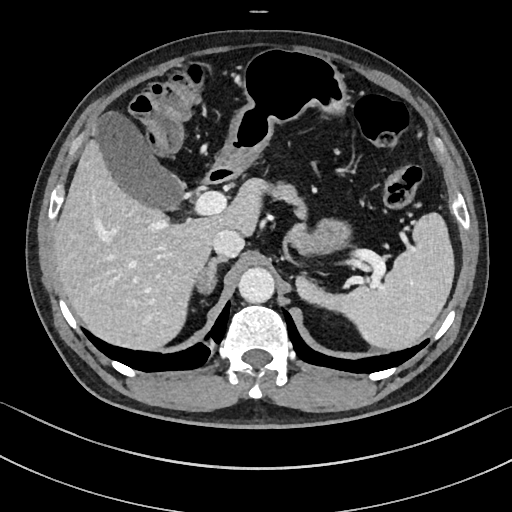 CT abdomen — axial plane, index 172 — W/L 400/40 HU — 512x512 px — acquired on SOMATOM Force
<organs><organ name="stomach" x1="219" y1="49" x2="349" y2="254"/><organ name="spleen" x1="295" y1="213" x2="453" y2="349"/><organ name="duodenum" x1="207" y1="159" x2="240" y2="183"/><organ name="liver" x1="53" y1="136" x2="268" y2="348"/><organ name="right adrenal gland" x1="198" y1="257" x2="227" y2="295"/><organ name="gall bladder" x1="97" y1="111" x2="182" y2="209"/><organ name="inferior vena cava" x1="212" y1="229" x2="244" y2="257"/><organ name="aorta" x1="238" y1="268" x2="274" y2="303"/><organ name="pancreas" x1="270" y1="185" x2="305" y2="217"/></organs>